CT abdomen · axial plane, index 59
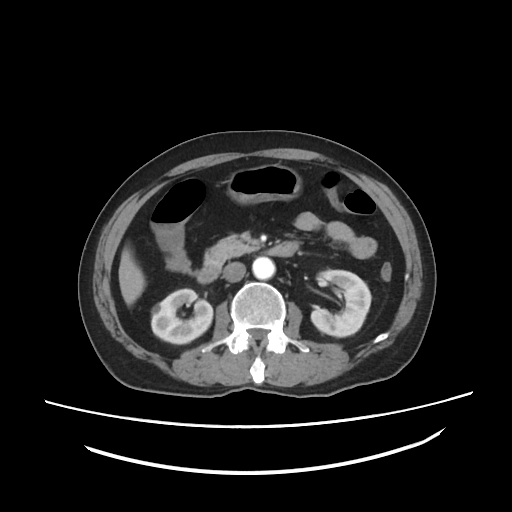
Bounding boxes in pixels, one row per box: x1, y1 is the top-left corner and x2, y2 the bottom-right.
| organ | x1 | y1 | x2 | y2 |
|---|---|---|---|---|
| pancreas | 204 | 235 | 256 | 264 |
| liver | 118 | 247 | 145 | 305 |
| stomach | 227 | 164 | 301 | 203 |
| left kidney | 311 | 270 | 370 | 336 |
| inferior vena cava | 223 | 262 | 245 | 282 |
| aorta | 252 | 257 | 275 | 279 |
| right kidney | 151 | 288 | 212 | 344 |
| duodenum | 196 | 241 | 298 | 283 |